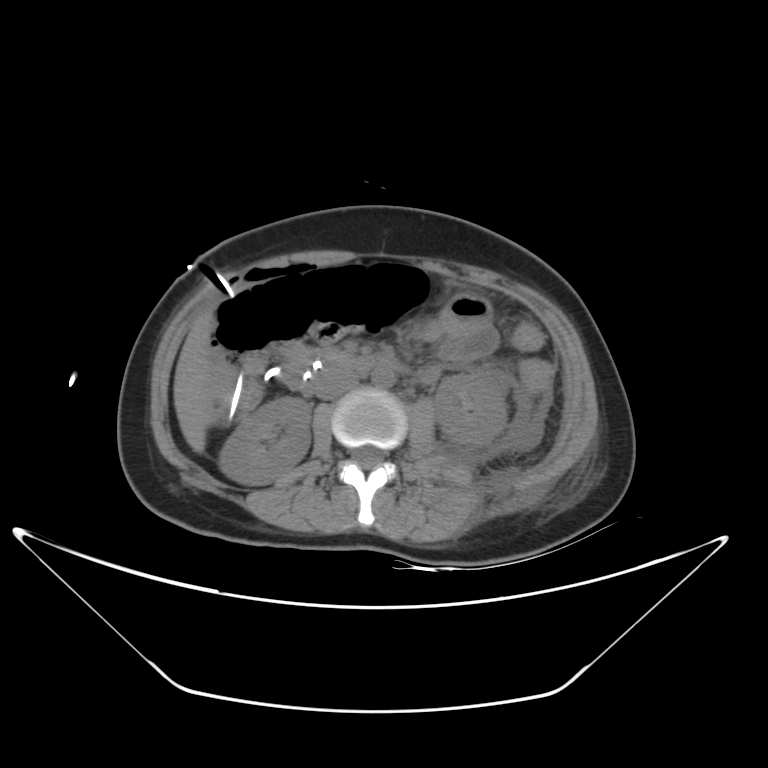
Abdominal CT; axial view; 768x768 px; Brilliance16 scanner
{"organs":{"right kidney":[220,397,310,484],"left kidney":[434,373,507,447],"liver":[173,318,213,452],"aorta":[371,366,394,388],"inferior vena cava":[316,370,358,400],"pancreas":[293,348,324,366],"duodenum":[263,355,396,394]}}